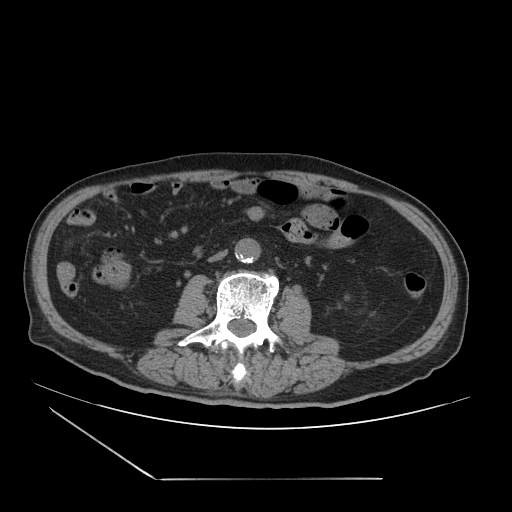 CT abdomen · Axial slice 103/187 · 15 organs annotated in this scan (that count is for the whole scan; organs this slice misses have no box)
Coordinates as <box>x1,y1,x2,y2</box> in pixels.
aorta: <box>234,238,260,262</box>
inferior vena cava: <box>208,250,227,262</box>